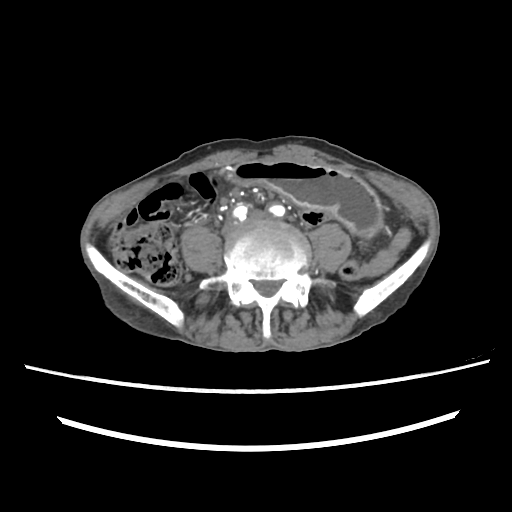
Abdominal CT. axial plane, index 38. 512x512 px. acquired on Aquilion ONE
{"organs":{"stomach":[228,162,383,234]}}